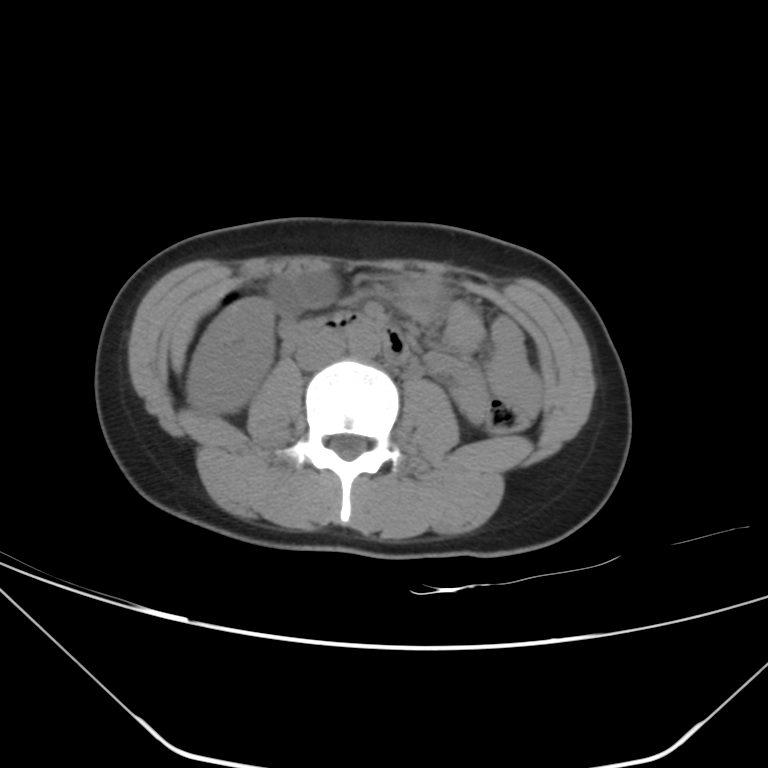

Abdominal CT — Axial slice 42/68 — abdomen soft-tissue window — 768x768 px
Organ boxes in pixel coordinates; each row gives the top-left (x1, y1) and bottom-right (x2, y2) corners.
| organ | x1 | y1 | x2 | y2 |
|---|---|---|---|---|
| right kidney | 186 | 297 | 275 | 413 |
| gall bladder | 269 | 271 | 337 | 308 |
| liver | 169 | 285 | 232 | 370 |
| stomach | 402 | 276 | 434 | 292 |
| aorta | 347 | 326 | 380 | 360 |
| inferior vena cava | 295 | 331 | 344 | 370 |
| duodenum | 281 | 307 | 407 | 362 |